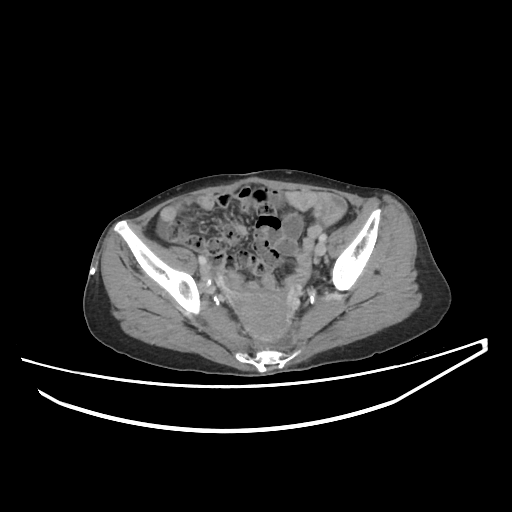

Computed tomography, abdomen. axial view
Boxes: x1:y1:x2:y2 in pixels.
prostate/uterus: 233:290:292:341